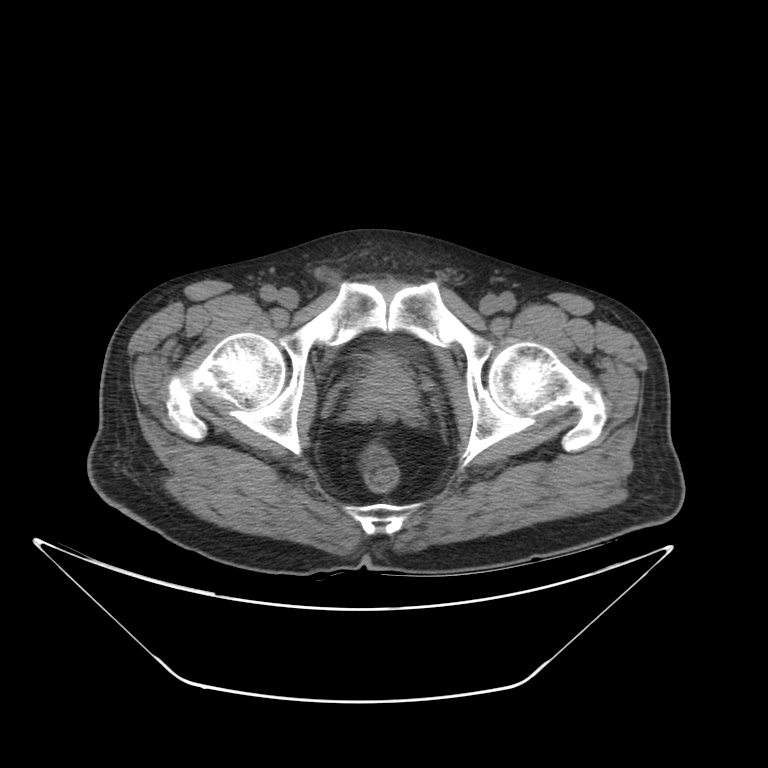

CT abdomen — Axial slice 15/99 — soft-tissue window (W 400 / L 40) — 768x768 px
Bounding boxes as [x1, y1, x2, y2] in pixel coordinates.
prostate/uterus: [355, 358, 415, 405]